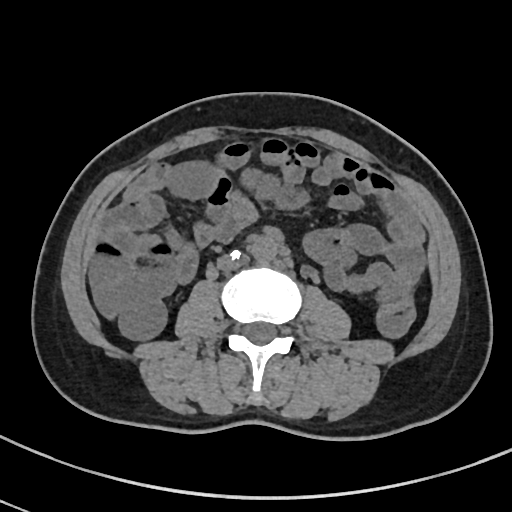

Computed tomography, abdomen · axial view · 512x512 px
Each box given as x1,y1,x2,y2.
aorta: x1=251, y1=233, x2=278, y2=261
inferior vena cava: x1=218, y1=251, x2=249, y2=272